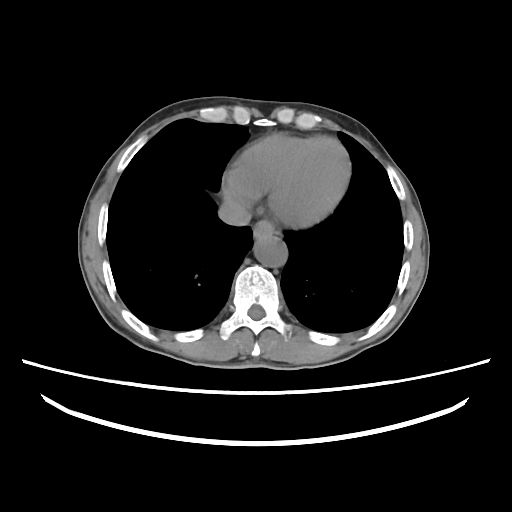

CT of the abdomen reaching into the lower chest, slice just above the liver and spleen · Axial slice 90/90 · soft-tissue window (W 400 / L 40) · 512x512 px · 54-year-old male patient · acquired on Aquilion ONE
The heart and lungs are never labeled in this dataset, so they have no box on this slice.
<organs><organ name="esophagus" x1="254" y1="220" x2="274" y2="238"/><organ name="aorta" x1="253" y1="236" x2="287" y2="267"/><organ name="inferior vena cava" x1="219" y1="197" x2="250" y2="225"/></organs>